CT abdomen · axial view · 37-year-old female patient · scan has 15 labeled organs (counted over the whole 3D scan, not this slice; an organ is boxed only where this slice passes through it)
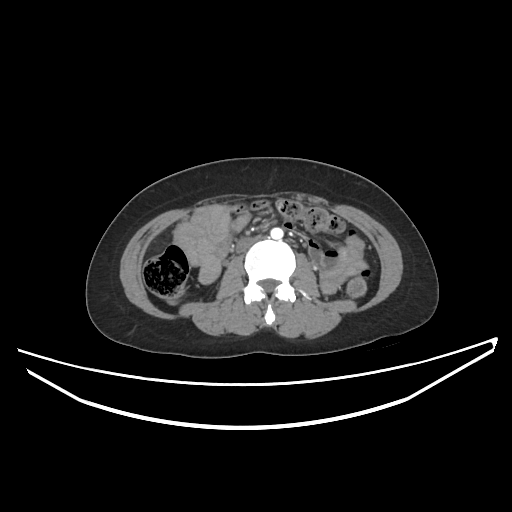 {"organs":{"aorta":[270,228,283,239],"inferior vena cava":[236,238,256,251]}}